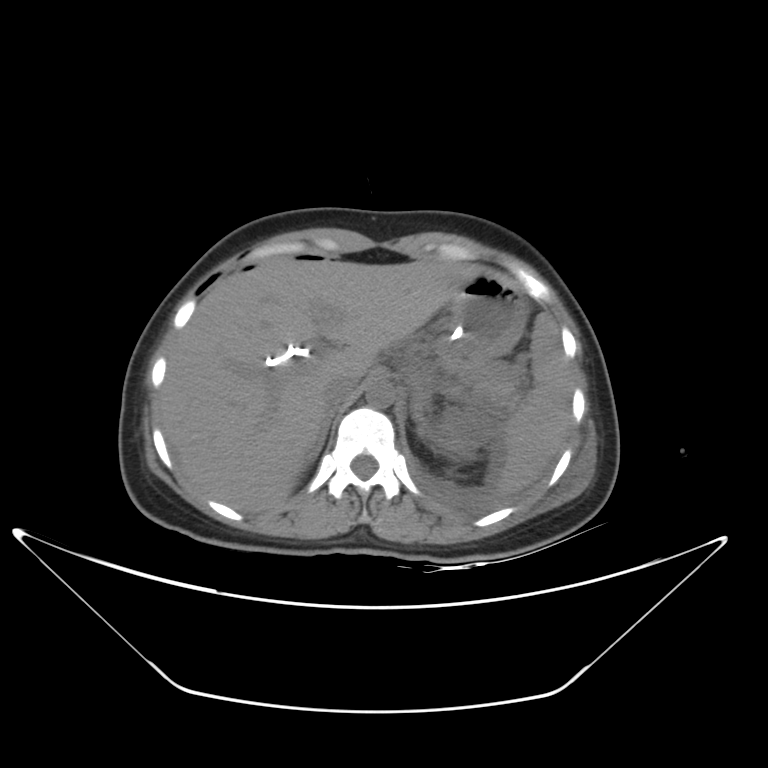

Abdominal CT; Axial slice 75/95; soft-tissue window (W 400 / L 40)
Each box given as x1,y1,x2,y2.
Organ bounding boxes:
- spleen: x1=499, y1=312, x2=571, y2=492
- left kidney: x1=426, y1=421, x2=469, y2=452
- liver: x1=158, y1=256, x2=483, y2=512
- stomach: x1=438, y1=273, x2=527, y2=365
- aorta: x1=366, y1=379, x2=394, y2=408
- inferior vena cava: x1=323, y1=375, x2=358, y2=406
- pancreas: x1=449, y1=358, x2=513, y2=397
- right adrenal gland: x1=314, y1=404, x2=340, y2=455
- left adrenal gland: x1=411, y1=386, x2=434, y2=432